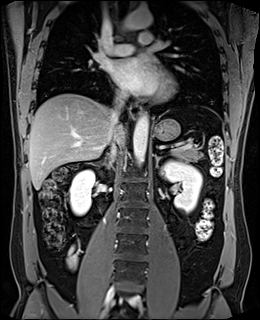 MRI, abdomen; Coronal slice 65/144
{"organs":{"right kidney":[69,169,95,215],"left kidney":[161,160,202,213],"esophagus":[129,103,141,118],"liver":[28,93,125,189],"stomach":[154,119,180,141],"aorta":[[133,114,148,165],[122,10,152,30]],"inferior vena cava":[108,95,126,151],"pancreas":[171,148,202,161],"right adrenal gland":[106,150,114,163],"left adrenal gland":[155,155,162,167]}}